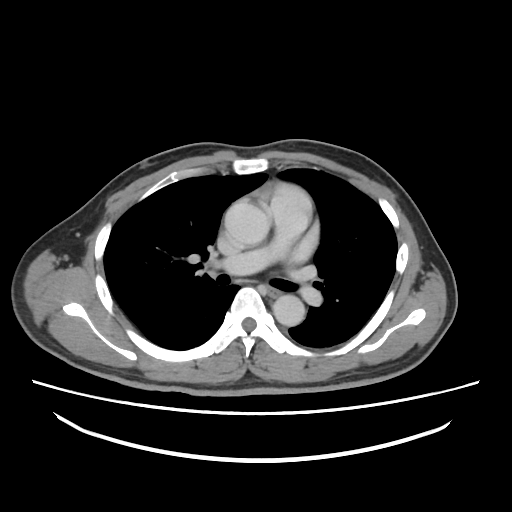

CT of the abdomen extending into the chest, slice through the chest. axial view. 512x512 px
At this level of the chest this dataset labels only the esophagus and the aorta, and each is boxed only where it is labeled; the heart and lungs are never labeled.
{"organs":{"esophagus":[267,286,281,297],"aorta":[[224,202,269,246],[272,294,304,326]]}}